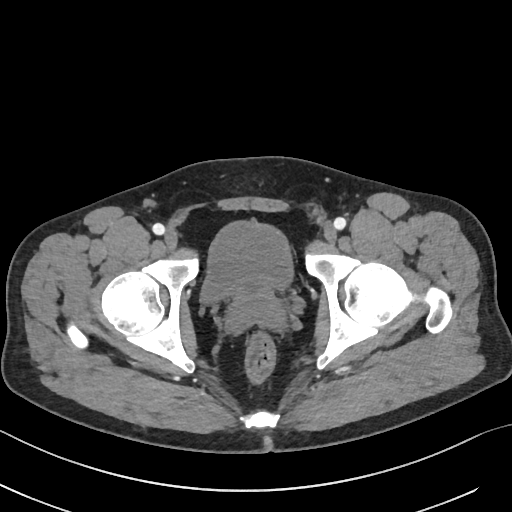

CT, abdomen/pelvis — Axial slice 35/307 — W/L 400/40 HU
Organ boxes in pixel coordinates; each row gives the top-left (x1, y1) and bottom-right (x2, y2) corners.
| organ | x1 | y1 | x2 | y2 |
|---|---|---|---|---|
| prostate/uterus | 229 | 284 | 281 | 324 |
| bladder | 201 | 223 | 291 | 301 |